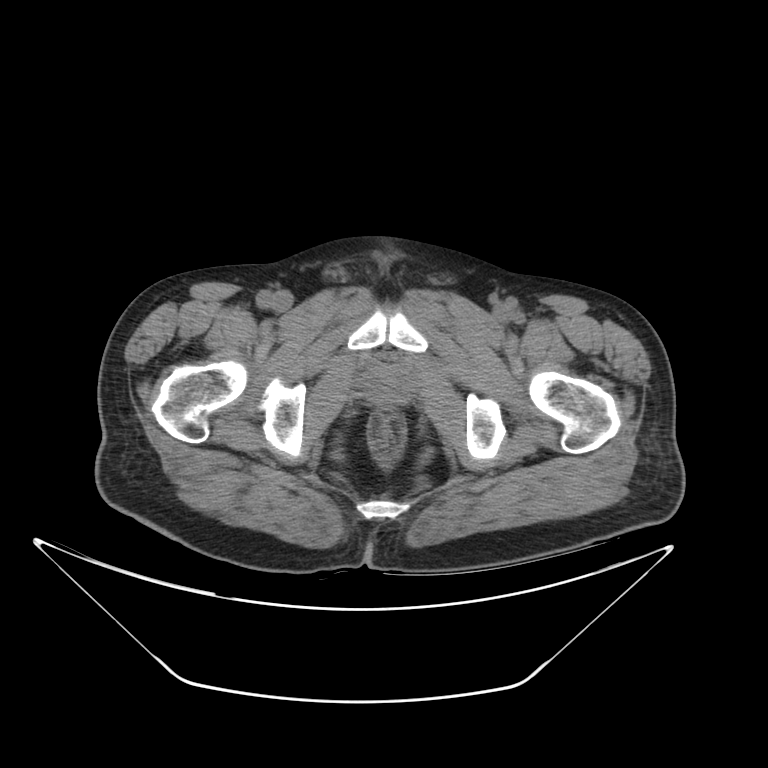 CT abdomen; axial view
Coordinates as <box>x1,y1,x2,y2</box> in pixels.
Organ bounding boxes:
- prostate/uterus: <box>362,367,412,403</box>